Computed tomography, abdomen; axial plane, index 30; W/L 400/40 HU
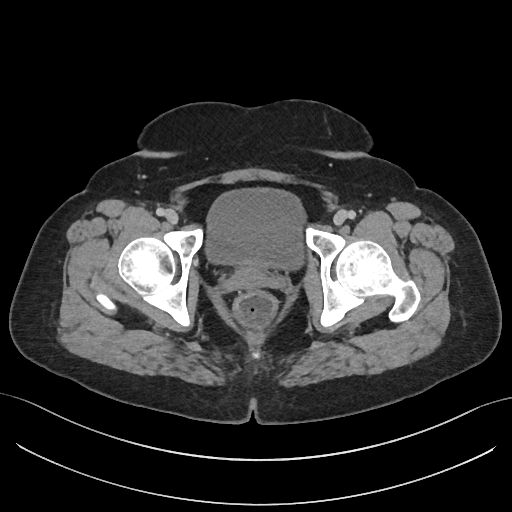
Bounding boxes as [x1, y1, x2, y2] in pixel coordinates.
bladder: [204, 187, 305, 271]